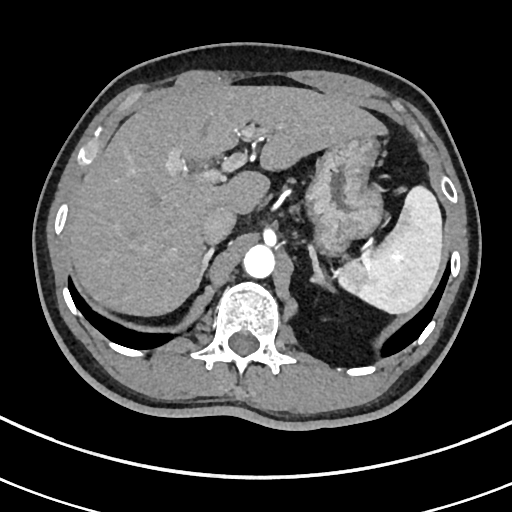

CT, abdomen/pelvis · axial view · 512x512 px
{"organs":{"spleen":[340,186,443,314],"liver":[65,84,385,316],"stomach":[307,136,382,251],"aorta":[243,243,274,277],"inferior vena cava":[201,206,235,244],"right adrenal gland":[193,246,214,293],"left adrenal gland":[307,246,331,290]}}